CT, abdomen/pelvis; axial view; 768x768 px; Brilliance16 scanner; scan has 15 labeled organs (a whole-scan count: organs this slice does not pass through have no box)
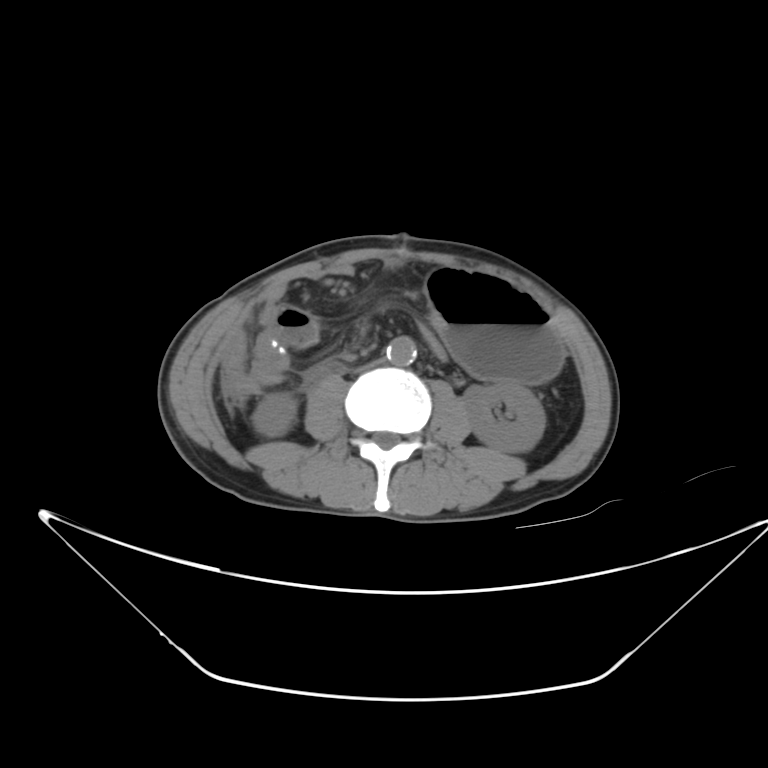 Each box given as x1,y1,x2,y2.
Organ bounding boxes:
- aorta: x1=386, y1=335, x2=417, y2=365
- duodenum: x1=298, y1=361, x2=344, y2=393
- inferior vena cava: x1=350, y1=356, x2=389, y2=374
- left kidney: x1=463, y1=383, x2=544, y2=451
- right kidney: x1=253, y1=393, x2=297, y2=438
- stomach: x1=425, y1=268, x2=562, y2=381